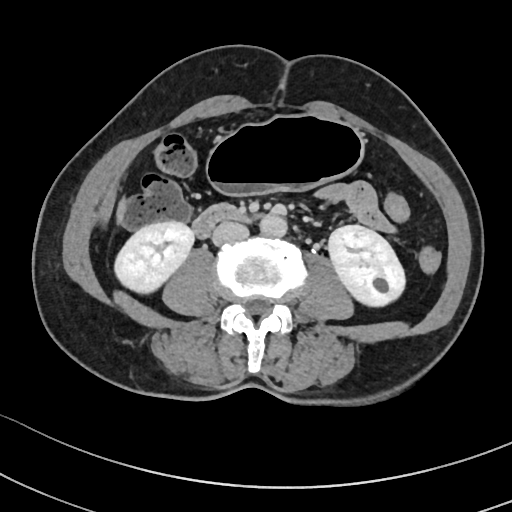

Computed tomography, abdomen · axial view · 512x512 px
<organs><organ name="aorta" x1="260" y1="214" x2="287" y2="237"/><organ name="right kidney" x1="114" y1="221" x2="194" y2="293"/><organ name="inferior vena cava" x1="212" y1="221" x2="249" y2="245"/><organ name="liver" x1="116" y1="199" x2="126" y2="221"/><organ name="duodenum" x1="192" y1="203" x2="246" y2="238"/><organ name="left kidney" x1="328" y1="225" x2="405" y2="306"/><organ name="stomach" x1="208" y1="115" x2="362" y2="193"/></organs>